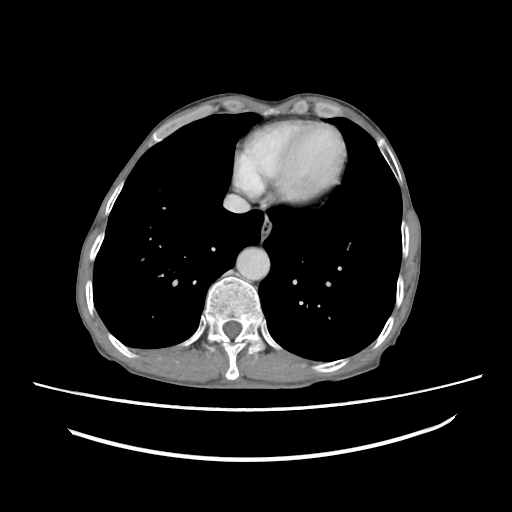

Abdominal CT; this slice is in the lower chest, just above the liver. axial view. W/L 400/40 HU. 512x512 px. 59-year-old male patient. 15 organs annotated in this scan (a whole-scan count: organs this slice does not pass through have no box)
No part of the heart or lungs is labeled in this dataset, so neither has a box here.
{"organs":{"esophagus":[260,218,271,238],"aorta":[236,247,270,280],"inferior vena cava":[223,194,250,213]}}